CT of the abdomen reaching into the lower chest, slice just above the liver and spleen · Axial slice 162/163 · soft-tissue window (W 400 / L 40) · scan has 15 labeled organs (that count is for the whole scan; organs this slice misses have no box)
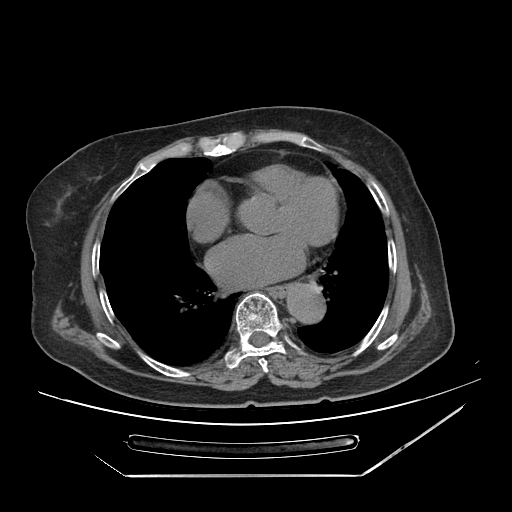

No part of the heart or lungs is labeled in this dataset, so neither has a box here.
Boxes: x1 y1 x2 y2 (pixel coords, space-separated).
Organ bounding boxes:
- aorta: 285 283 324 321
- esophagus: 270 284 292 297